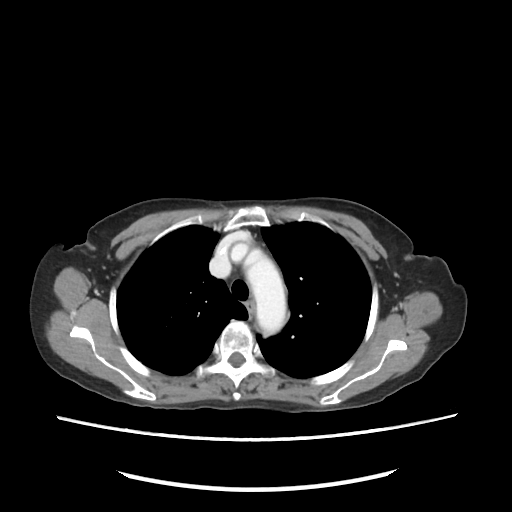
Chest-level CT slice, above the liver and spleen; axial view; soft-tissue window (W 400 / L 40); 512x512 px; scan has 15 labeled organs (that count is for the whole scan; organs this slice misses have no box)
On a slice this high in the chest, this dataset labels only the esophagus and the aorta, and each is boxed only where it is labeled; the heart, lungs and other chest structures are not labeled.
<organs><organ name="aorta" x1="245" y1="250" x2="284" y2="331"/></organs>